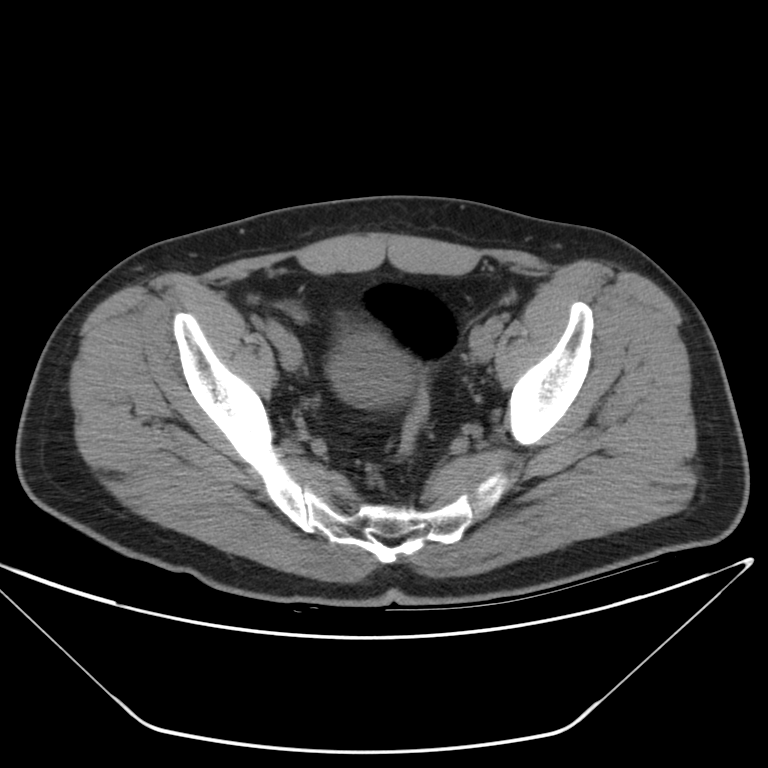
CT abdomen. axial view. soft-tissue window. 45-year-old male patient
{"organs":{"bladder":[328,335,413,407]}}